Abdominal CT — axial plane, index 6
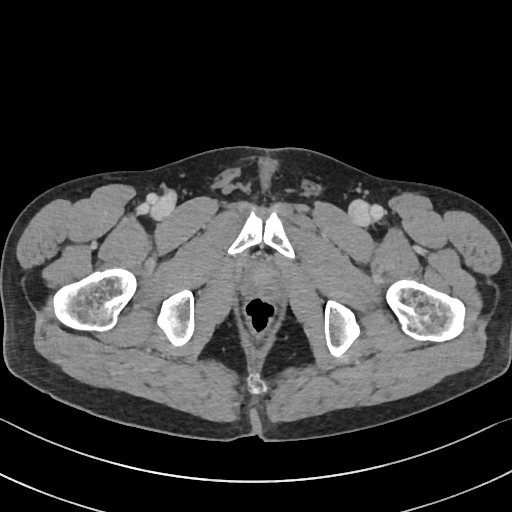
<organs><organ name="prostate/uterus" x1="252" y1="267" x2="276" y2="286"/></organs>